Computed tomography, abdomen — axial view — abdomen soft-tissue window — 512x512 px — 68-year-old female patient
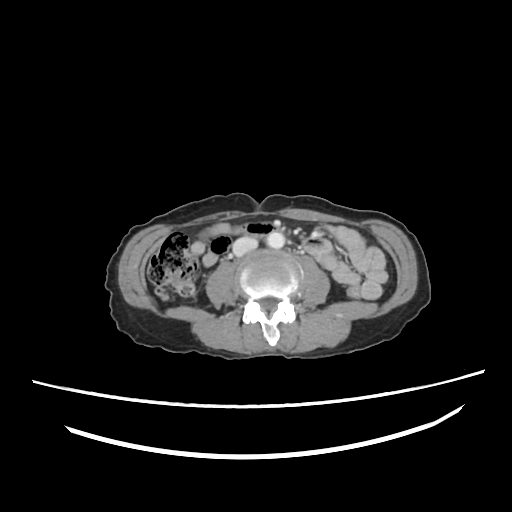

{"organs":{"aorta":[266,230,284,249],"inferior vena cava":[234,238,257,254],"duodenum":[239,222,276,234]}}